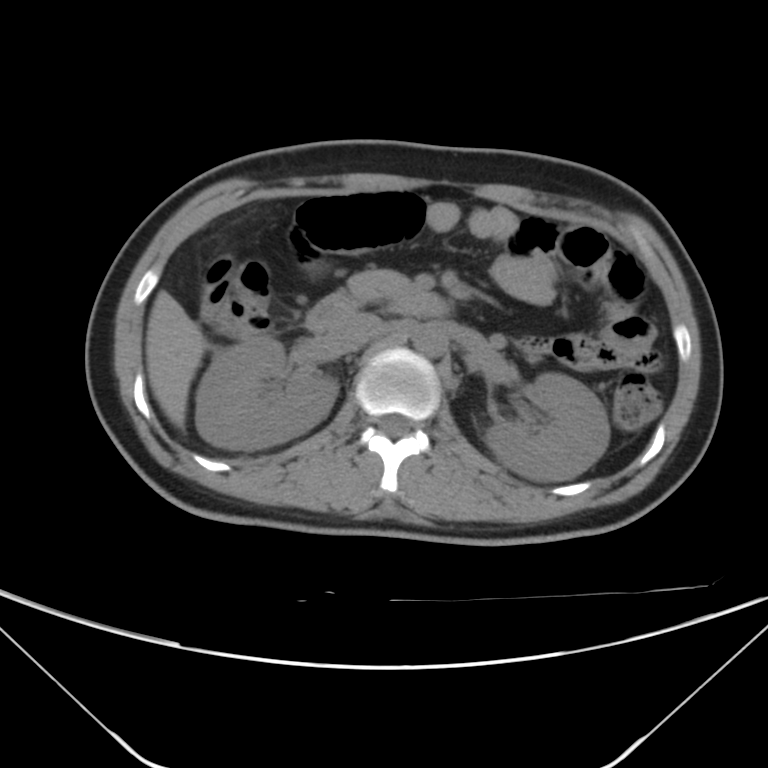 Abdominal CT. axial plane, index 62. 768x768 px. 24-year-old male patient. Brilliance16 scanner
One row per box, in pixels: columns x1 and y1 give the top-left corner, x2 and y2 the bottom-right.
| organ | x1 | y1 | x2 | y2 |
|---|---|---|---|---|
| right kidney | 195 | 335 | 337 | 450 |
| left kidney | 485 | 373 | 609 | 481 |
| liver | 145 | 290 | 207 | 429 |
| aorta | 413 | 322 | 448 | 357 |
| inferior vena cava | 325 | 312 | 381 | 352 |
| pancreas | 347 | 270 | 411 | 302 |
| duodenum | 306 | 290 | 450 | 333 |